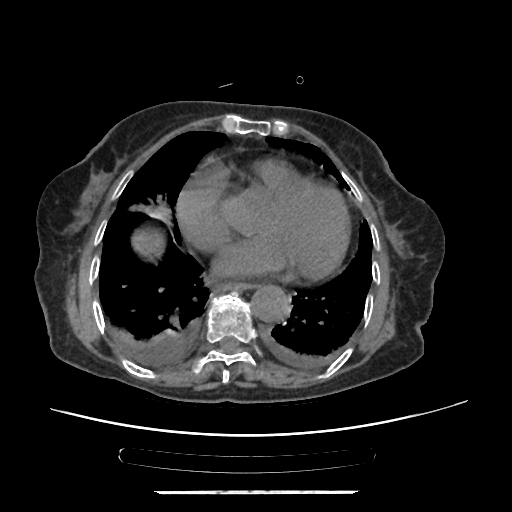 CT, abdomen/pelvis; axial view; 512x512 px
Boxes are (x1, y1, x2, y2) in pixels. Labeled organs on this slice: aorta at (251, 285, 290, 322), liver at (134, 232, 160, 251), esophagus at (223, 284, 253, 291).